Abdominal MR. axial view. percentile-normalized
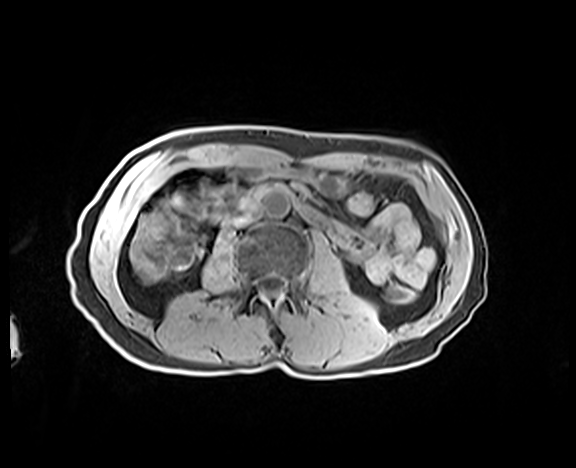

Each box given as x1,y1,x2,y2.
Organ bounding boxes:
- aorta: x1=262, y1=190, x2=290, y2=218
- inferior vena cava: x1=231, y1=208, x2=259, y2=226
- duodenum: x1=237, y1=181, x2=312, y2=215